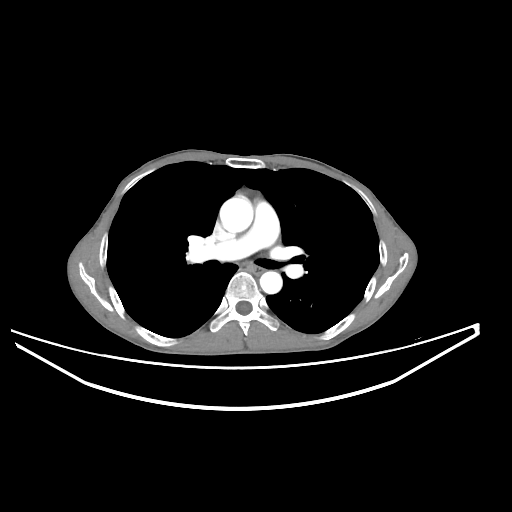
Abdominal CT reaching into the chest; this slice is in the chest — Axial slice 104/131 — soft-tissue window, W/L 400/40 — 512x512 px — 60-year-old male patient — acquired on Aquilion ONE
At this level of the chest no structure but the esophagus and the aorta has a label in this dataset, and those two are boxed only where they are labeled.
Each box given as x1,y1,x2,y2.
Organ bounding boxes:
- esophagus: x1=252, y1=267, x2=264, y2=276
- aorta: x1=220, y1=196, x2=253, y2=233
- aorta: x1=260, y1=271, x2=282, y2=294